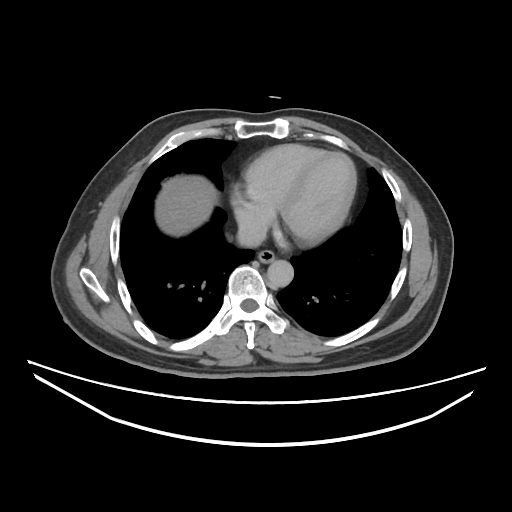
CT, abdomen/pelvis. axial view. 512x512 px. 55-year-old male patient. 15 organs annotated in this scan (a whole-scan count: organs this slice does not pass through have no box)
Bounding boxes as [x1, y1, x2, y2] in pixel coordinates.
liver: [155, 176, 219, 236]
inferior vena cava: [238, 226, 266, 246]
aorta: [268, 260, 293, 286]
esophagus: [257, 249, 275, 262]